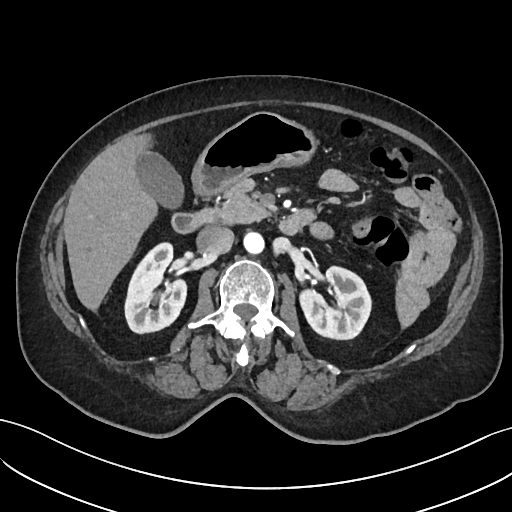 CT abdomen; axial plane, index 125; SOMATOM Force scanner
Boxes: x1:y1:x2:y2 in pixels. Labeled organs on this slice: right kidney at 125:244:187:334, left kidney at 298:267:370:340, gall bladder at 136:153:184:206, liver at 64:132:157:311, stomach at 191:112:313:196, aorta at 244:233:264:255, inferior vena cava at 195:227:234:255, pancreas at 197:178:267:224, duodenum at 171:211:312:234.